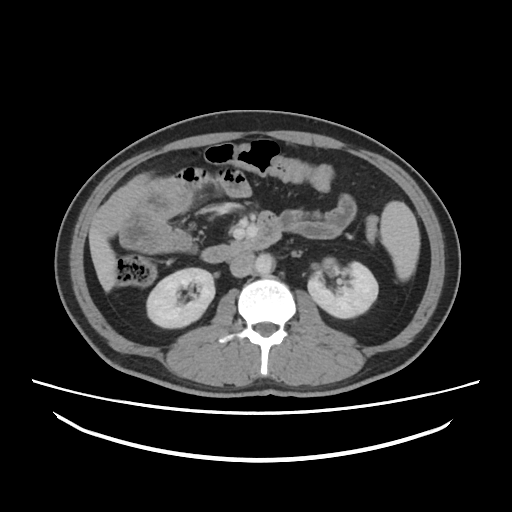 CT abdomen — Axial slice 63/133 — abdomen soft-tissue window — 512x512 px — 15 organs annotated in this scan (a whole-scan count: organs this slice does not pass through have no box)
<organs><organ name="spleen" x1="380" y1="201" x2="419" y2="280"/><organ name="right kidney" x1="147" y1="268" x2="214" y2="328"/><organ name="left kidney" x1="307" y1="258" x2="377" y2="318"/><organ name="liver" x1="89" y1="226" x2="116" y2="291"/><organ name="aorta" x1="254" y1="253" x2="274" y2="274"/><organ name="inferior vena cava" x1="229" y1="252" x2="254" y2="277"/><organ name="duodenum" x1="201" y1="211" x2="281" y2="262"/></organs>